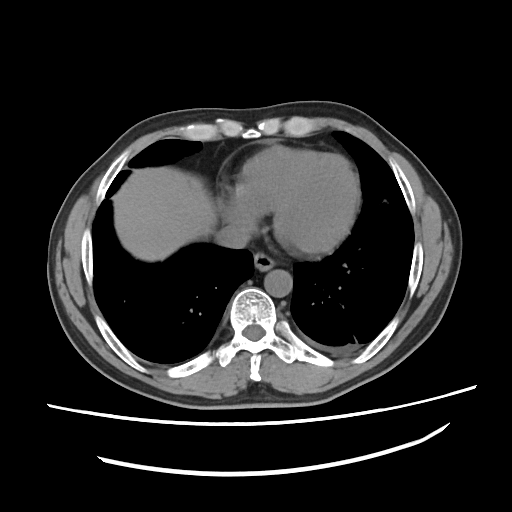 CT abdomen — axial view — 15 organs annotated in this scan (that count is for the whole scan; organs this slice misses have no box)
One row per box, in pixels: columns x1 and y1 give the top-left corner, x2 and y2 the bottom-right.
| organ | x1 | y1 | x2 | y2 |
|---|---|---|---|---|
| esophagus | 253 | 254 | 275 | 270 |
| liver | 111 | 167 | 217 | 262 |
| aorta | 264 | 269 | 292 | 297 |
| inferior vena cava | 216 | 223 | 250 | 249 |